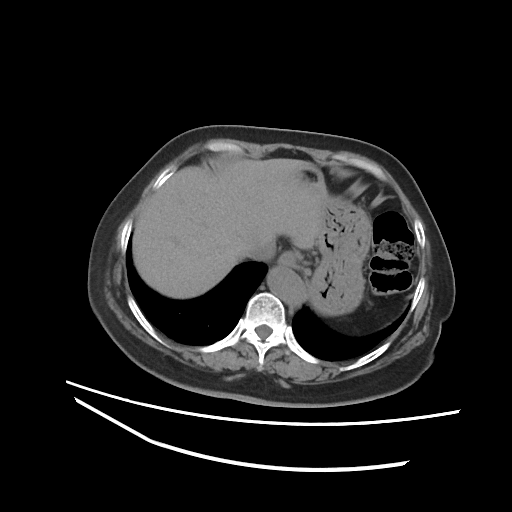

CT, abdomen/pelvis. Axial slice 77/84. abdomen soft-tissue window. 512x512 px
{"organs":{"stomach":[300,165,372,315],"esophagus":[279,251,304,268],"inferior vena cava":[243,241,275,260],"liver":[132,158,327,298],"aorta":[267,265,302,304]}}